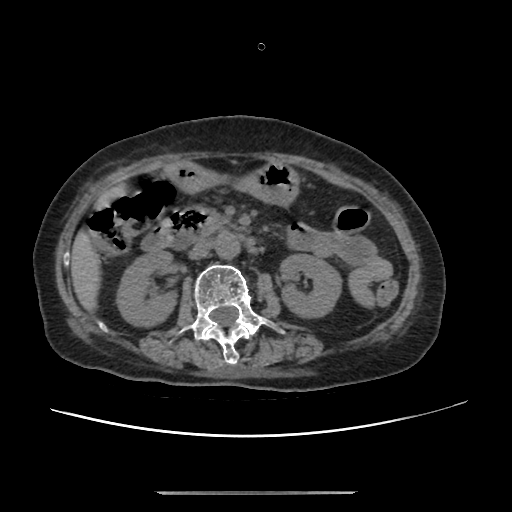
Abdominal CT. axial view. soft-tissue window (W 400 / L 40). 512x512 px
<organs><organ name="pancreas" x1="207" y1="209" x2="237" y2="232"/><organ name="duodenum" x1="141" y1="206" x2="209" y2="251"/><organ name="left kidney" x1="280" y1="254" x2="341" y2="316"/><organ name="right kidney" x1="116" y1="249" x2="175" y2="325"/><organ name="liver" x1="71" y1="186" x2="122" y2="309"/><organ name="aorta" x1="214" y1="232" x2="239" y2="258"/><organ name="stomach" x1="164" y1="162" x2="298" y2="204"/><organ name="inferior vena cava" x1="189" y1="240" x2="212" y2="259"/></organs>